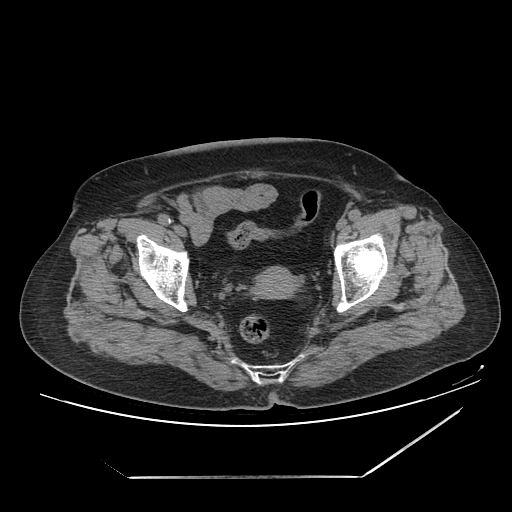
Computed tomography, abdomen; axial view; abdomen soft-tissue window; acquired on SOMATOM Force
Coordinates as <box>x1,y1,x2,y2</box> in pixels. Labeled organs on this slice: prostate/uterus at <box>252,267,301,299</box>.